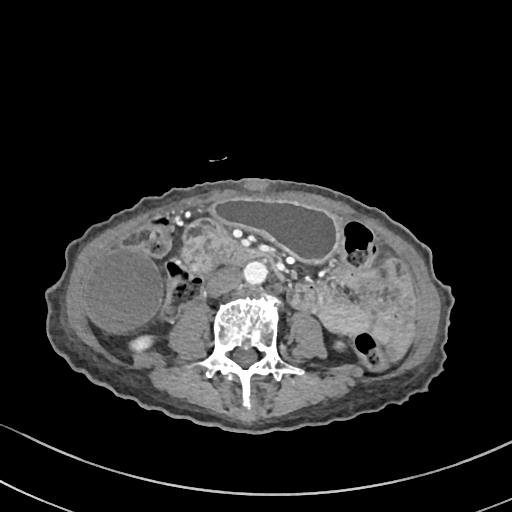

Abdominal CT. axial view. 512x512 px
Boxes are (x1, y1, x2, y2) in pixels.
right kidney: (130, 335, 152, 351)
left kidney: (336, 343, 342, 347)
gall bladder: (85, 246, 162, 332)
stomach: (211, 199, 339, 262)
aorta: (243, 261, 267, 284)
inferior vena cava: (207, 268, 241, 296)
duodenum: (181, 219, 288, 283)